CT abdomen. axial view. 512x512 px
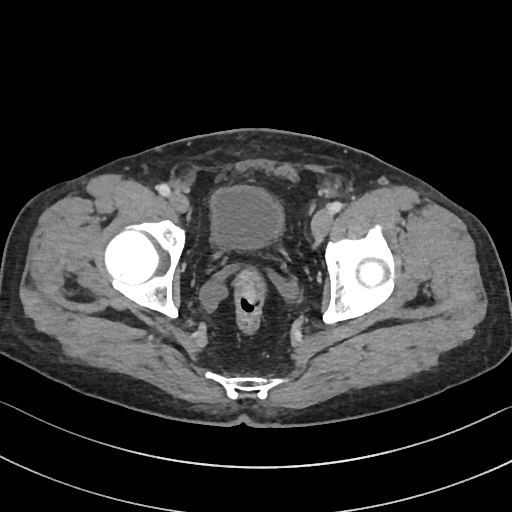

{"organs":{"bladder":[211,186,282,247]}}